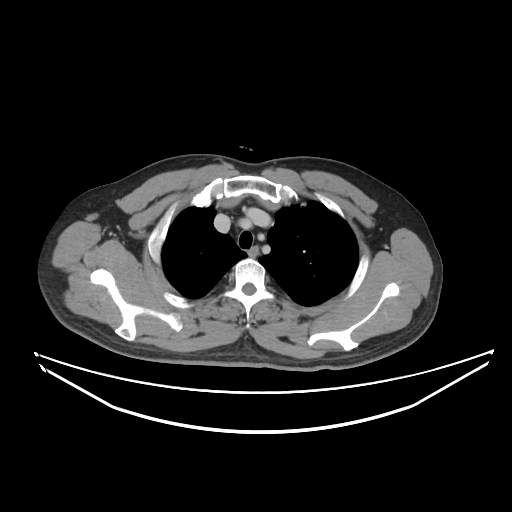 Chest-level slice from an abdominal CT that extends up into the chest; Axial slice 120/131; soft-tissue window, W/L 400/40; 40-year-old male patient
At this level of the chest this dataset labels only the esophagus and the aorta, and each is boxed only where it is labeled; the heart and lungs are never labeled.
<organs><organ name="esophagus" x1="249" y1="246" x2="258" y2="257"/></organs>